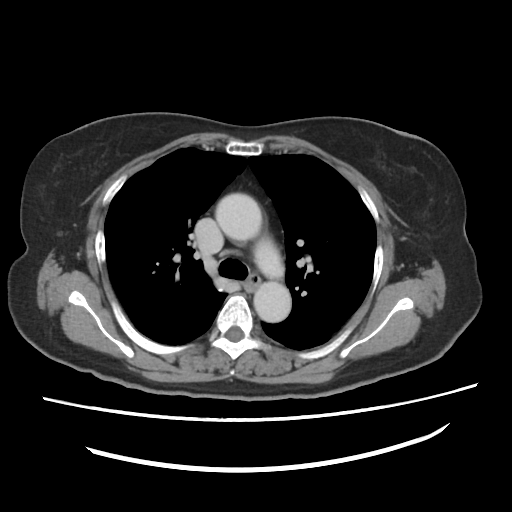

Abdominal CT reaching into the chest; this slice is in the chest — axial view — soft-tissue window, W/L 400/40 — 512x512 px — 61-year-old female patient
On a slice this high in the chest, this dataset labels only the esophagus and the aorta, and each is boxed only where it is labeled; the heart, lungs and other chest structures are not labeled.
Box edges are left/top/right/bottom in pixels.
Organ bounding boxes:
- esophagus: left=244, top=275, right=260, bottom=292
- aorta: left=217, top=195, right=261, bottom=240
- aorta: left=254, top=279, right=291, bottom=320